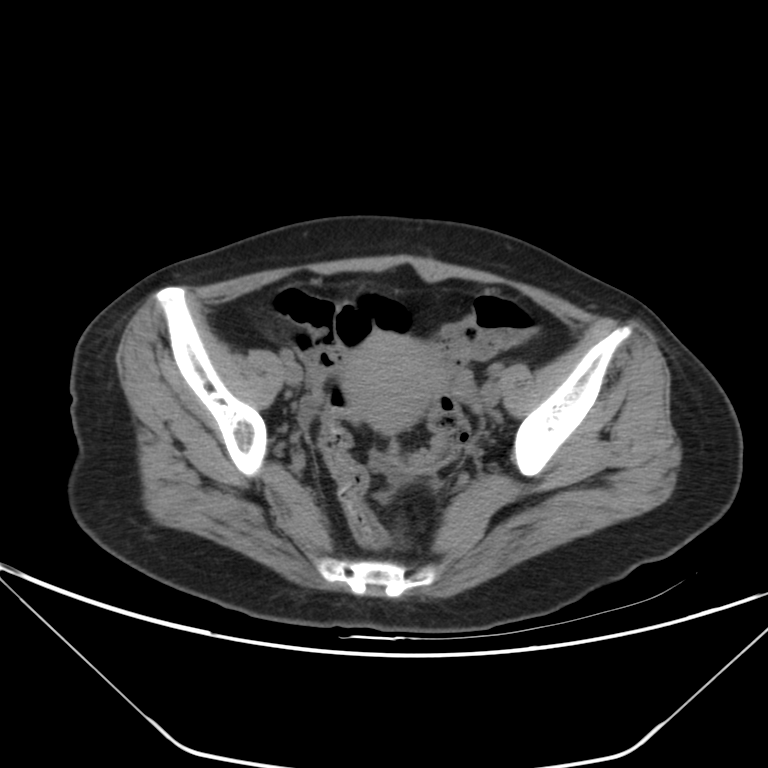

CT, abdomen/pelvis. axial view. soft-tissue window (W 400 / L 40)
Box edges are left/top/right/bottom in pixels.
prostate/uterus: left=340, top=332, right=446, bottom=433